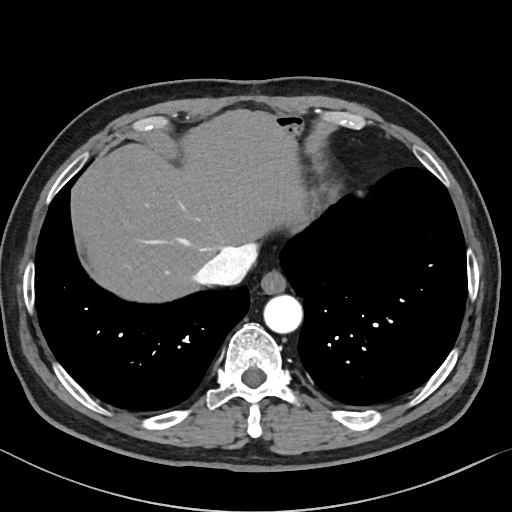 CT, abdomen/pelvis; axial view; SOMATOM Force scanner
Organ boxes in pixel coordinates; each row gives the top-left (x1, y1) and bottom-right (x2, y2) corners.
| organ | x1 | y1 | x2 | y2 |
|---|---|---|---|---|
| esophagus | 260 | 270 | 286 | 293 |
| liver | 77 | 109 | 307 | 302 |
| aorta | 263 | 295 | 302 | 333 |
| inferior vena cava | 196 | 246 | 256 | 285 |